Computed tomography, abdomen; axial view; abdomen soft-tissue window; 512x512 px
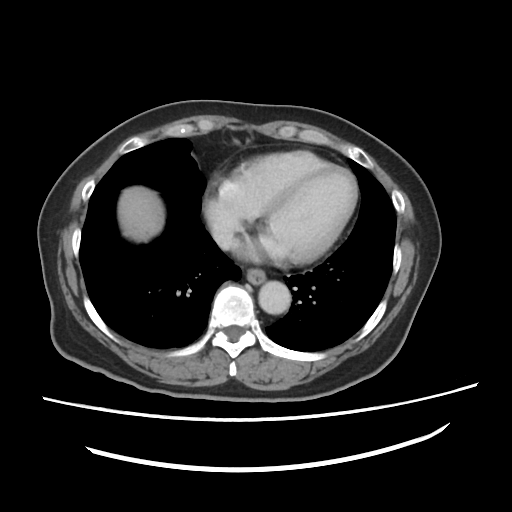
Organ boxes in pixel coordinates; each row gives the top-left (x1, y1) and bottom-right (x2, y2) corners.
| organ | x1 | y1 | x2 | y2 |
|---|---|---|---|---|
| esophagus | 247 | 269 | 265 | 285 |
| liver | 117 | 186 | 164 | 241 |
| aorta | 258 | 280 | 290 | 314 |
| inferior vena cava | 212 | 227 | 229 | 247 |